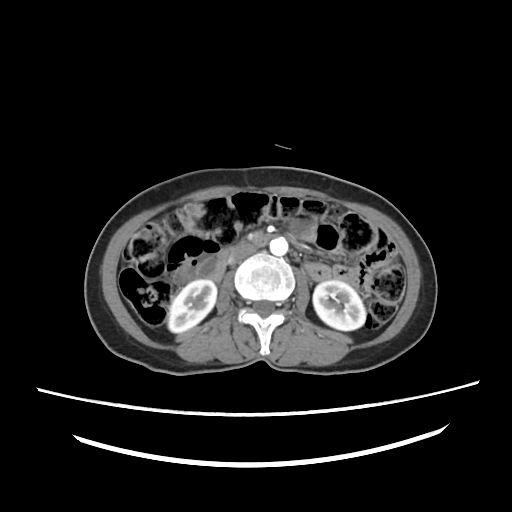
CT abdomen — axial plane, index 47 — 58-year-old female patient
Box edges are left/top/right/bottom in pixels.
Organ bounding boxes:
- inferior vena cava: left=227, top=244, right=256, bottom=264
- aorta: left=270, top=238, right=289, bottom=256
- left kidney: left=311, top=280, right=366, bottom=331
- duodenum: left=208, top=235, right=272, bottom=280
- right kidney: left=169, top=278, right=216, bottom=333